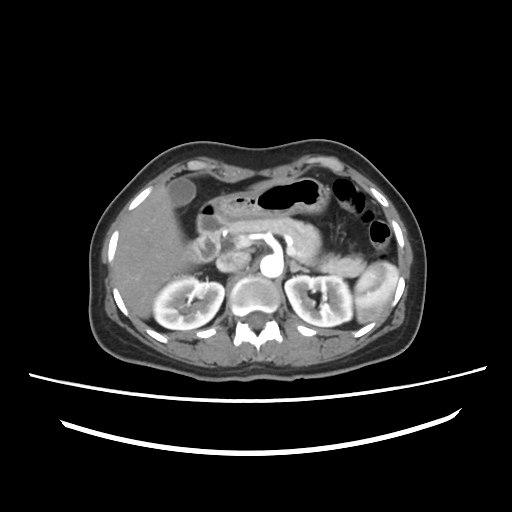

CT abdomen · axial plane, index 71 · 512x512 px
Each box given as x1,y1,x2,y2.
Organ bounding boxes:
- spleen: x1=354, y1=261, x2=398, y2=323
- right kidney: x1=153, y1=276, x2=224, y2=330
- left kidney: x1=285, y1=275, x2=352, y2=326
- gall bladder: x1=168, y1=178, x2=196, y2=206
- liver: x1=114, y1=177, x2=293, y2=318
- stomach: x1=208, y1=177, x2=330, y2=218
- aorta: x1=260, y1=255, x2=282, y2=277
- inferior vena cava: x1=216, y1=251, x2=250, y2=272
- pancreas: x1=227, y1=217, x2=365, y2=277
- left adrenal gland: x1=289, y1=260, x2=307, y2=272
- duodenum: x1=186, y1=203, x2=230, y2=262